Lower-chest slice from an abdominal CT, just above the liver and spleen. axial view. soft-tissue window. scan has 15 labeled organs (a whole-scan count: organs this slice does not pass through have no box)
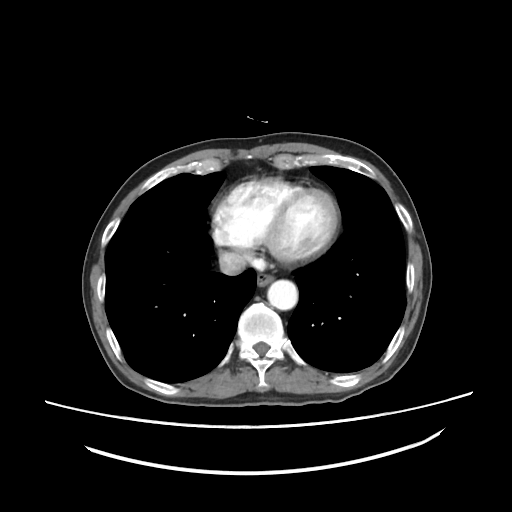 The heart and lungs are never labeled in this dataset, so they have no box on this slice.
Coordinates as <box>x1,y1,x2,y2</box> in pixels.
Organ bounding boxes:
- esophagus: <box>256,273,273,286</box>
- aorta: <box>267,279,297,310</box>
- inferior vena cava: <box>219,251,246,275</box>